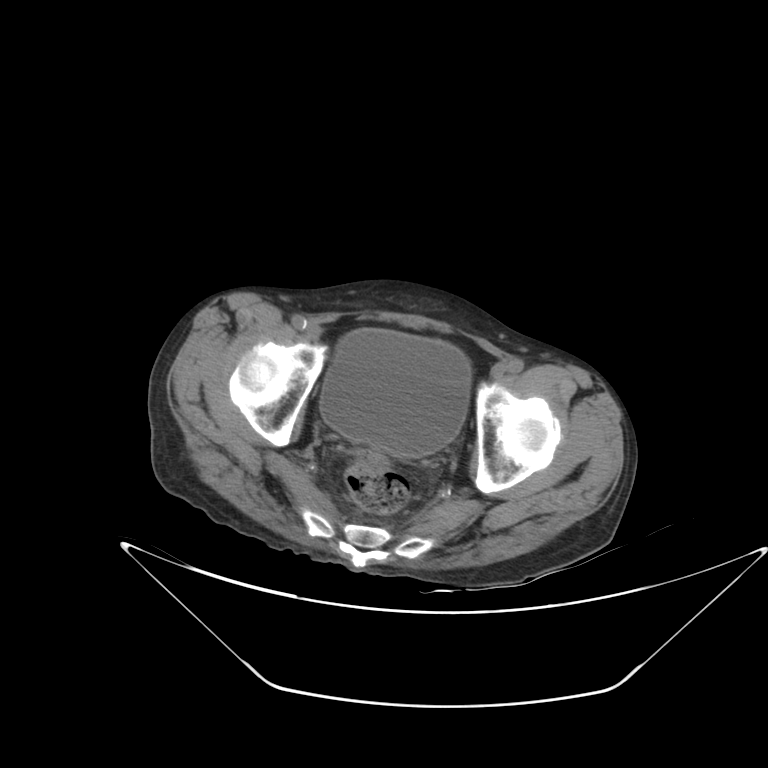
Computed tomography, abdomen · axial plane, index 19 · abdomen soft-tissue window · 768x768 px
Bounding boxes in pixels, one row per box: x1, y1 is the top-left corner and x2, y2 the bottom-right.
| organ | x1 | y1 | x2 | y2 |
|---|---|---|---|---|
| bladder | 320 | 329 | 470 | 457 |